Abdominal CT · axial view · abdomen soft-tissue window · 512x512 px · acquired on SOMATOM Force · scan has 15 labeled organs (counted over the whole 3D scan, not this slice; an organ is boxed only where this slice passes through it)
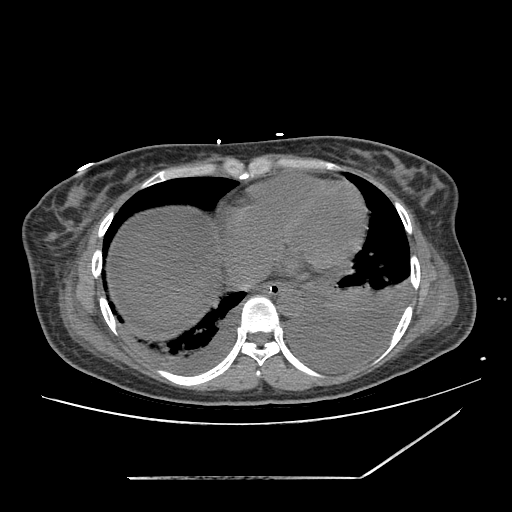 {"organs":{"esophagus":[256,283,292,295],"liver":[119,218,215,330],"stomach":[278,288,293,295],"aorta":[277,289,302,317],"inferior vena cava":[225,262,257,288]}}